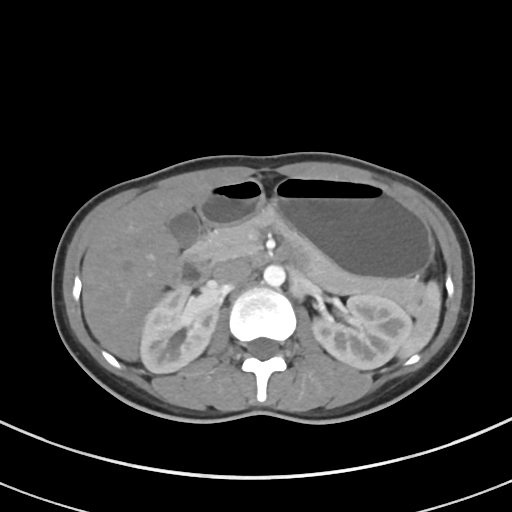
CT, abdomen/pelvis; axial plane, index 55; W/L 400/40 HU
Box edges are left/top/right/bottom in pixels.
Organ bounding boxes:
- spleen: left=398, top=281, right=441, bottom=358
- right kidney: left=140, top=285, right=218, bottom=373
- left kidney: left=312, top=294, right=411, bottom=369
- gall bladder: left=167, top=210, right=201, bottom=246
- liver: left=81, top=181, right=214, bottom=361
- stomach: left=198, top=177, right=433, bottom=277
- aorta: left=263, top=264, right=285, bottom=286
- inferior vena cava: left=213, top=259, right=251, bottom=284
- pancreas: left=189, top=207, right=421, bottom=311
- duodenum: left=168, top=239, right=301, bottom=287